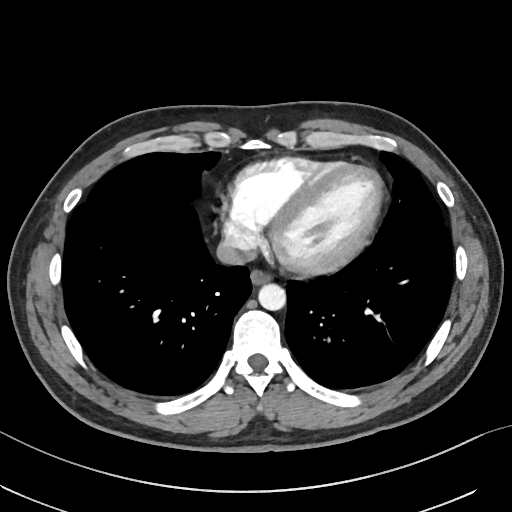
Lower-chest slice from an abdominal CT, just above the liver and spleen; axial plane, index 207
Of the structures in the chest, this dataset labels only the esophagus, the aorta and the inferior vena cava; the heart and lungs have no label.
Coordinates as <box>x1,y1,x2,y2</box> in pixels.
Organ bounding boxes:
- esophagus: <box>249,270,270,285</box>
- aorta: <box>258,284,286,310</box>
- inferior vena cava: <box>217,238,256,265</box>